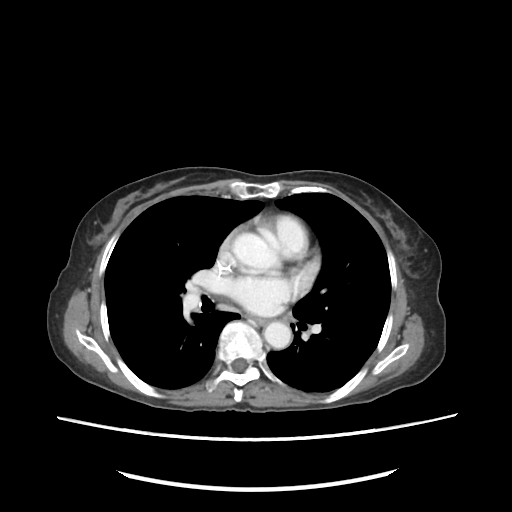
Abdominal CT reaching into the chest; this slice is in the chest; axial view; scan has 15 labeled organs (counted over the whole 3D scan, not this slice; an organ is boxed only where this slice passes through it)
At this level of the chest no structure but the esophagus and the aorta has a label in this dataset, and those two are boxed only where they are labeled. Boxes: x1:y1:x2:y2 in pixels. The annotated organs in this slice are: esophagus at 258:319:259:320, aorta at 264:323:290:348.